Magnetic resonance imaging, abdomen — coronal view — 1st–99th percentile window — 260x320 px — 13 organs annotated in this scan (a whole-scan count: organs this slice does not pass through have no box)
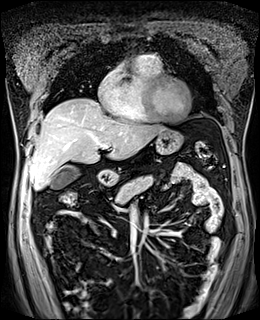 Bounding boxes in pixels, one row per box: x1, y1 is the top-left corner and x2, y2 the bottom-right.
| organ | x1 | y1 | x2 | y2 |
|---|---|---|---|---|
| stomach | 96 | 129 | 183 | 185 |
| liver | 29 | 98 | 166 | 190 |
| gall bladder | 49 | 165 | 79 | 189 |
| pancreas | 115 | 175 | 154 | 204 |